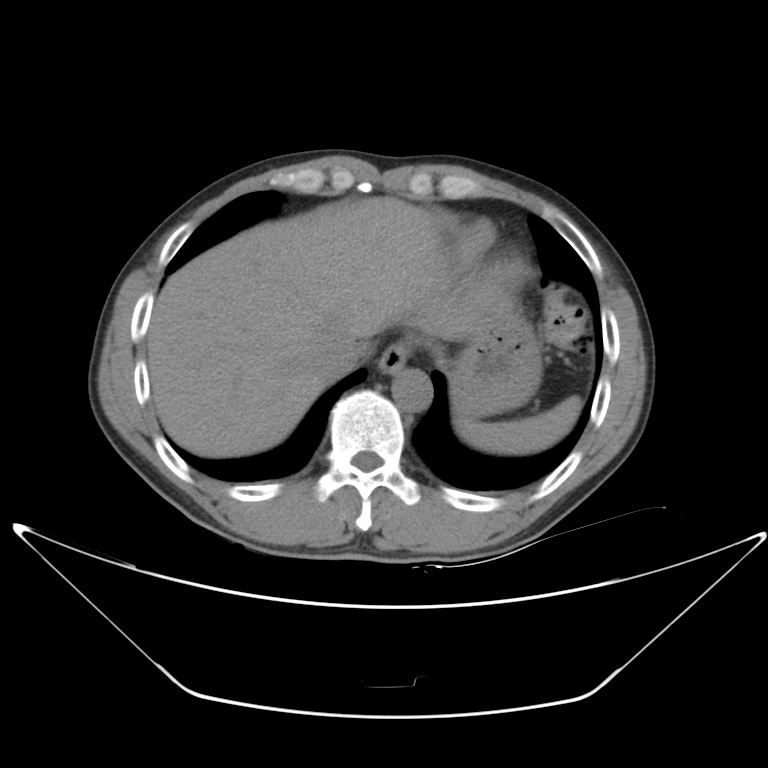

Abdominal CT — axial view — W/L 400/40 HU — 51-year-old male patient — scan has 15 labeled organs (counted over the whole 3D scan, not this slice; an organ is boxed only where this slice passes through it)
Bounding boxes in pixels, one row per box: x1, y1 is the top-left corner and x2, y2 the bottom-right.
| organ | x1 | y1 | x2 | y2 |
|---|---|---|---|---|
| stomach | 449 | 286 | 542 | 421 |
| liver | 146 | 197 | 449 | 456 |
| spleen | 455 | 395 | 581 | 456 |
| inferior vena cava | 311 | 338 | 361 | 378 |
| esophagus | 379 | 338 | 410 | 372 |
| aorta | 392 | 368 | 432 | 410 |